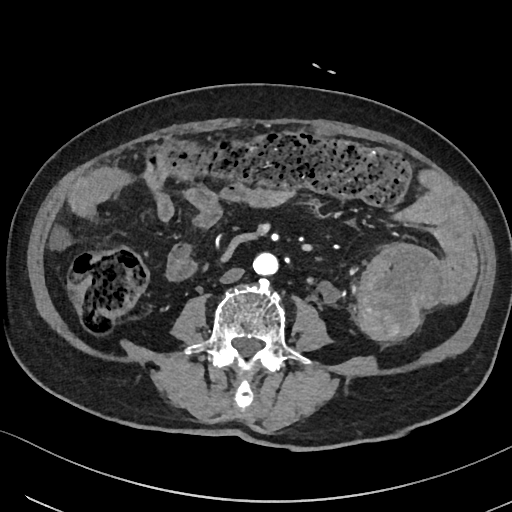

Abdominal CT · axial plane, index 118 · SOMATOM Force scanner · 15 organs annotated in this scan (a whole-scan count: organs this slice does not pass through have no box)
Organ boxes in pixel coordinates; each row gives the top-left (x1, y1) and bottom-right (x2, y2) corners.
| organ | x1 | y1 | x2 | y2 |
|---|---|---|---|---|
| aorta | 253 | 252 | 278 | 275 |
| inferior vena cava | 220 | 267 | 244 | 283 |